Abdominal CT. axial view. abdomen soft-tissue window. female patient aged 90 or older. acquired on Brilliance16
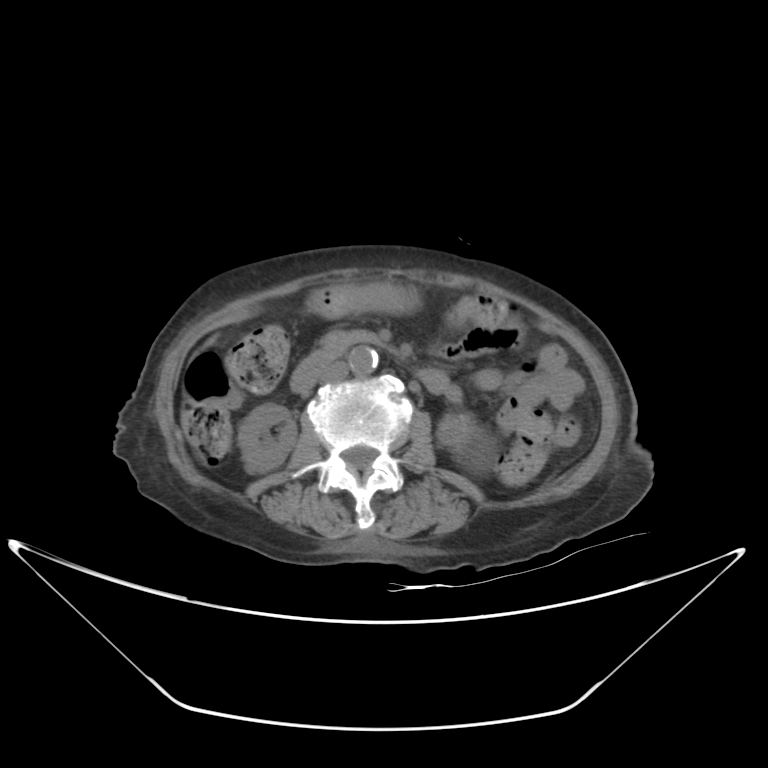 <organs><organ name="stomach" x1="307" y1="282" x2="420" y2="318"/><organ name="right kidney" x1="238" y1="403" x2="296" y2="473"/><organ name="liver" x1="209" y1="338" x2="213" y2="343"/><organ name="left kidney" x1="436" y1="412" x2="498" y2="476"/><organ name="aorta" x1="348" y1="347" x2="379" y2="375"/><organ name="inferior vena cava" x1="318" y1="361" x2="348" y2="383"/><organ name="duodenum" x1="290" y1="349" x2="446" y2="394"/><organ name="pancreas" x1="320" y1="332" x2="373" y2="357"/></organs>